Chest-level slice from an abdominal CT that extends up into the chest · axial plane, index 108 · 512x512 px
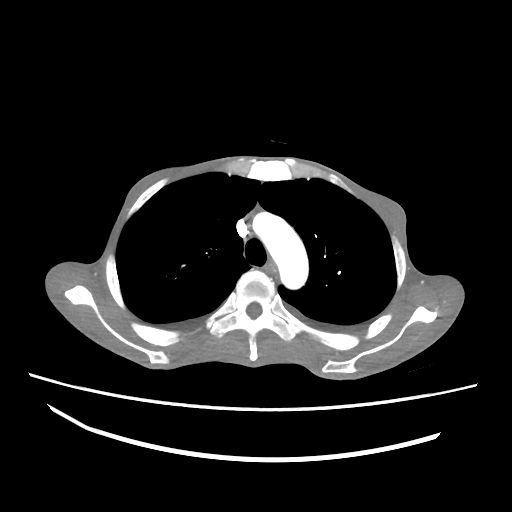
On a slice this high in the chest, this dataset labels only the esophagus and the aorta, and each is boxed only where it is labeled; the heart, lungs and other chest structures are not labeled.
<organs><organ name="esophagus" x1="267" y1="265" x2="277" y2="277"/><organ name="aorta" x1="254" y1="213" x2="308" y2="289"/></organs>